Chest-level CT slice, above the liver and spleen; Axial slice 309/333; W/L 400/40 HU; 512x512 px
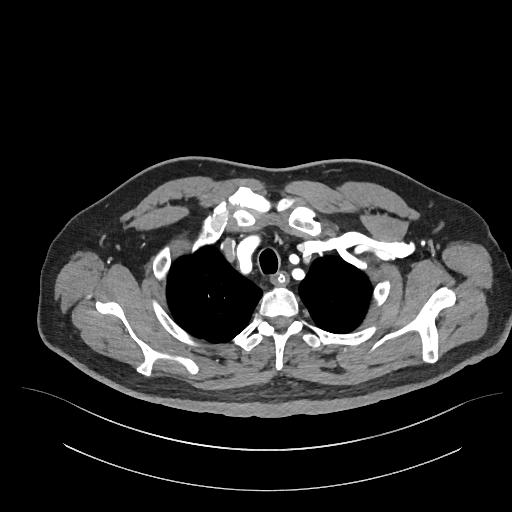 At this level of the chest this dataset labels only the esophagus and the aorta, and each is boxed only where it is labeled; the heart and lungs are never labeled.
Boxes: x1 y1 x2 y2 (pixel coords, space-separated).
esophagus: 272 272 285 284